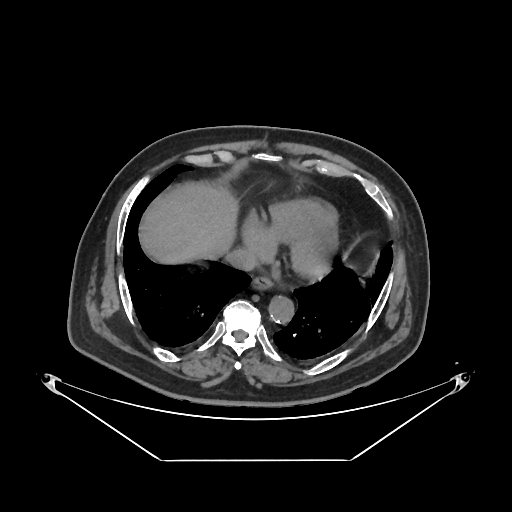
Computed tomography, abdomen. axial plane, index 323. 512x512 px
Coordinates as <box>x1,y1,x2,y2</box> in pixels.
Organ bounding boxes:
- inferior vena cava: <box>224,249,256,270</box>
- aorta: <box>269,295,294,322</box>
- esophagus: <box>251,276,272,289</box>
- liver: <box>141,183,237,264</box>